CT, abdomen/pelvis. axial view. acquired on SOMATOM Force. scan has 15 labeled organs (counted over the whole 3D scan, not this slice; an organ is boxed only where this slice passes through it)
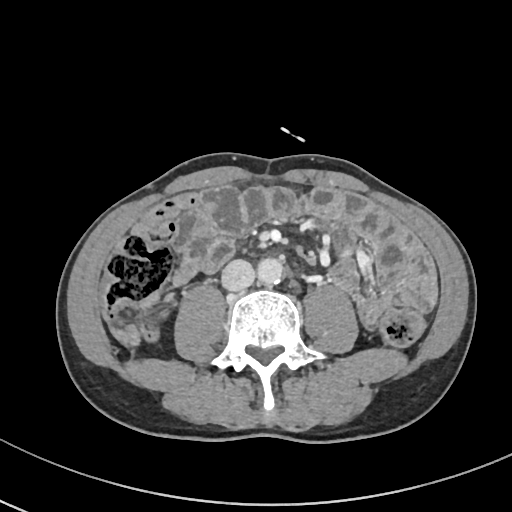 <organs><organ name="inferior vena cava" x1="220" y1="260" x2="254" y2="292"/><organ name="aorta" x1="256" y1="258" x2="283" y2="284"/></organs>